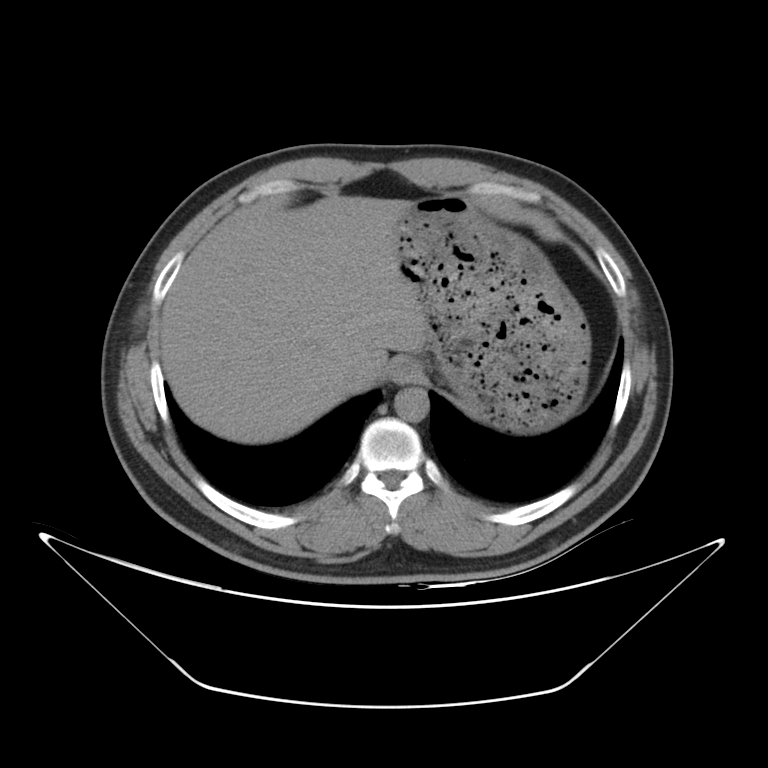

Computed tomography, abdomen. axial plane, index 93. abdomen soft-tissue window
{"organs":{"esophagus":[390,358,421,384],"liver":[160,196,427,443],"stomach":[395,196,589,433],"aorta":[395,387,429,422],"inferior vena cava":[337,358,372,393]}}